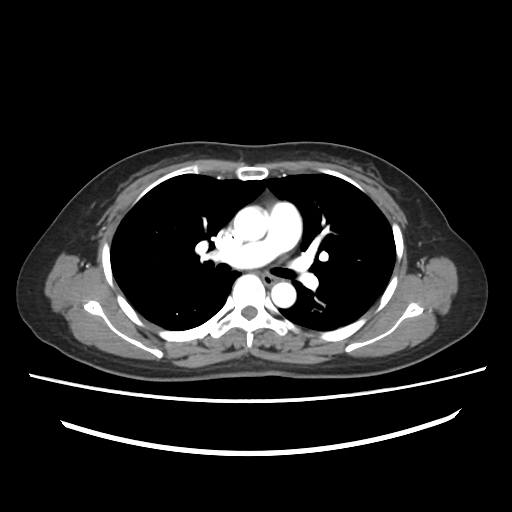 Abdominal CT reaching into the chest; this slice is in the chest. Axial slice 105/123. soft-tissue window (W 400 / L 40). 45-year-old female patient. Aquilion ONE scanner
At this level of the chest no structure but the esophagus and the aorta has a label in this dataset, and those two are boxed only where they are labeled.
Coordinates as <box>x1,y1,x2,y2</box> in pixels.
Organ bounding boxes:
- esophagus: <box>262,273,277,286</box>
- aorta: <box>232,206,269,241</box>
- aorta: <box>271,282,296,307</box>